Abdominal CT · Axial slice 227/234 · abdomen soft-tissue window · 512x512 px
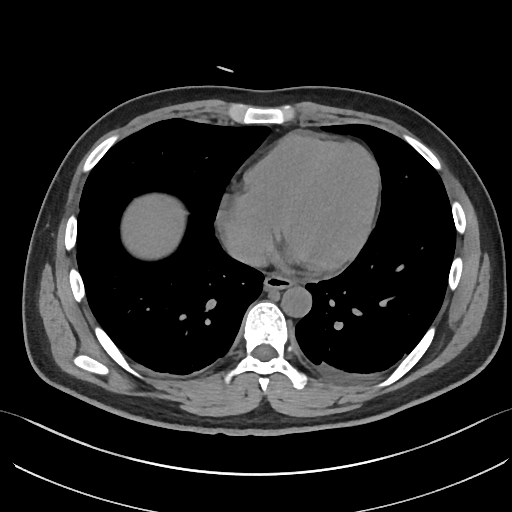
<organs><organ name="liver" x1="122" y1="194" x2="185" y2="256"/><organ name="aorta" x1="281" y1="286" x2="311" y2="317"/><organ name="esophagus" x1="264" y1="274" x2="293" y2="288"/><organ name="inferior vena cava" x1="227" y1="238" x2="266" y2="267"/></organs>